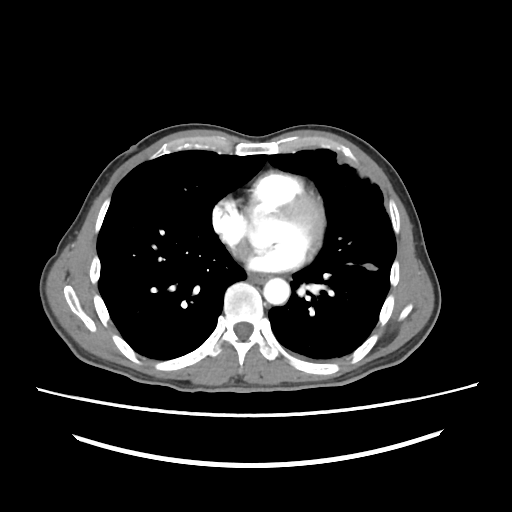
CT of the abdomen reaching into the lower chest, slice just above the liver and spleen — axial plane, index 56 — 51-year-old male patient
No part of the heart or lungs is labeled in this dataset, so neither has a box here.
One row per box, in pixels: columns x1 and y1 give the top-left corner, x2 and y2 the bottom-right.
| organ | x1 | y1 | x2 | y2 |
|---|---|---|---|---|
| esophagus | 247 | 271 | 267 | 281 |
| aorta | 264 | 277 | 290 | 304 |